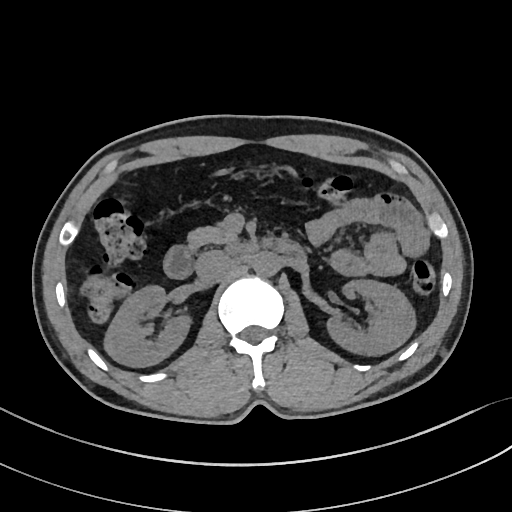
Computed tomography, abdomen; axial plane, index 156; W/L 400/40 HU
Box edges are left/top/right/bottom in pixels. 6 labeled organs on this slice — right kidney at left=104, top=285, right=191, bottom=367; inferior vena cava at left=195, top=250, right=230, bottom=280; pancreas at left=187, top=226, right=237, bottom=249; left kidney at left=327, top=279, right=415, bottom=355; aorta at left=252, top=251, right=279, bottom=276; duodenum at left=163, top=240, right=304, bottom=278.